Computed tomography, abdomen. axial view. 512x512 px. acquired on SOMATOM Force
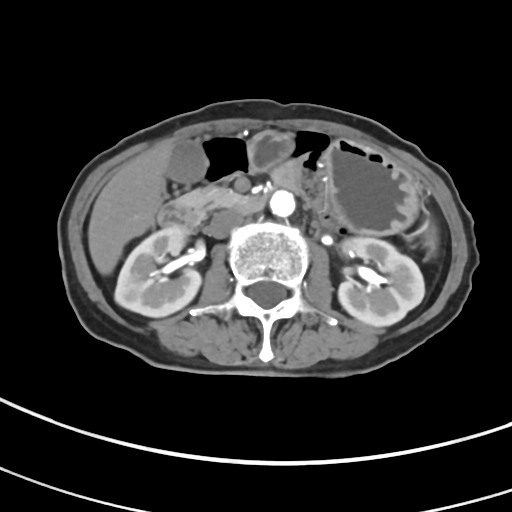 Boxes are (x1, y1, x2, y2) in pixels.
spleen: (421, 220, 437, 254)
right kidney: (115, 227, 200, 317)
left kidney: (338, 237, 424, 326)
gall bladder: (166, 140, 206, 182)
liver: (87, 139, 174, 274)
stomach: (246, 132, 420, 233)
aorta: (270, 191, 295, 217)
inferior vena cava: (205, 209, 244, 238)
pancreas: (179, 188, 244, 211)
duodenum: (157, 195, 267, 230)